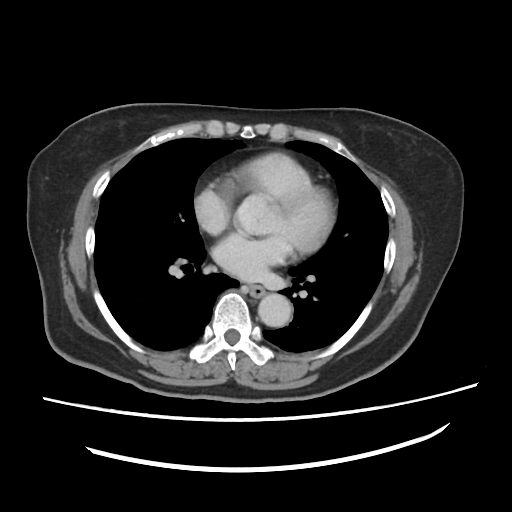 Abdominal CT; this slice is in the lower chest, just above the liver — axial view — 14 organs annotated in this scan (that count is for the whole scan; organs this slice misses have no box)
The heart and lungs are never labeled in this dataset, so they have no box on this slice. Each box given as x1,y1,x2,y2. The annotated organs in this slice are: esophagus at x1=241, y1=282, x2=265, y2=297, aorta at x1=258, y1=292, x2=292, y2=325.